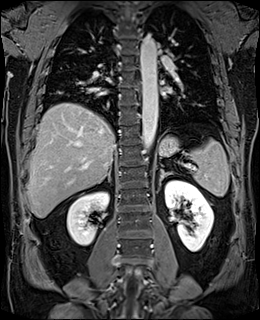
Abdominal MRI. coronal view. 1st–99th percentile window. 260x320 px. scan has 13 labeled organs (that count is for the whole scan; organs this slice misses have no box)
Organ boxes in pixel coordinates; each row gives the top-left (x1, y1) and bottom-right (x2, y2) corners.
| organ | x1 | y1 | x2 | y2 |
|---|---|---|---|---|
| spleen | 185 | 139 | 229 | 196 |
| right kidney | 67 | 192 | 108 | 245 |
| left kidney | 165 | 180 | 213 | 251 |
| liver | 27 | 103 | 115 | 218 |
| stomach | 158 | 136 | 178 | 156 |
| aorta | 140 | 35 | 157 | 153 |
| right adrenal gland | 97 | 167 | 111 | 183 |
| left adrenal gland | 159 | 169 | 172 | 186 |